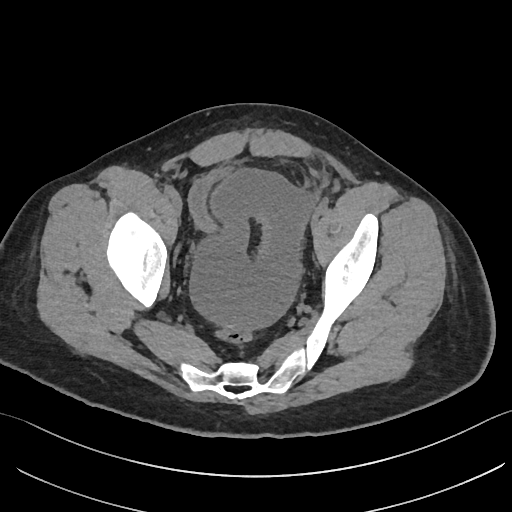
CT, abdomen/pelvis. axial plane, index 41. scan has 15 labeled organs (a whole-scan count: organs this slice does not pass through have no box)
Boxes: x1:y1:x2:y2 in pixels. Labeled organs on this slice: bladder at 189:167:233:232.